CT, abdomen/pelvis; axial view; 512x512 px; acquired on SOMATOM Force; scan has 15 labeled organs (that count is for the whole scan; organs this slice misses have no box)
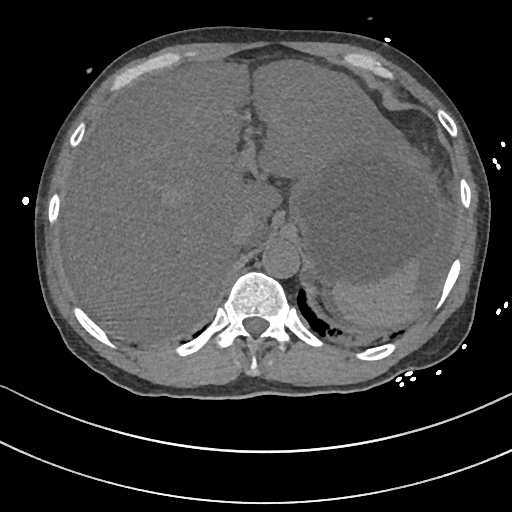

<organs><organ name="stomach" x1="289" y1="113" x2="446" y2="284"/><organ name="inferior vena cava" x1="228" y1="219" x2="252" y2="248"/><organ name="aorta" x1="261" y1="240" x2="298" y2="278"/><organ name="liver" x1="59" y1="58" x2="375" y2="344"/><organ name="spleen" x1="331" y1="260" x2="421" y2="331"/></organs>